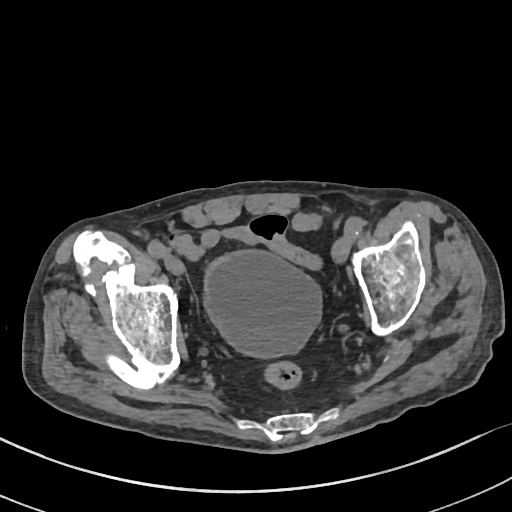 CT abdomen — axial view — abdomen soft-tissue window — scan has 15 labeled organs (a whole-scan count: organs this slice does not pass through have no box)
<organs><organ name="bladder" x1="204" y1="250" x2="321" y2="358"/></organs>